Abdominal CT reaching into the chest; this slice is in the chest · axial view
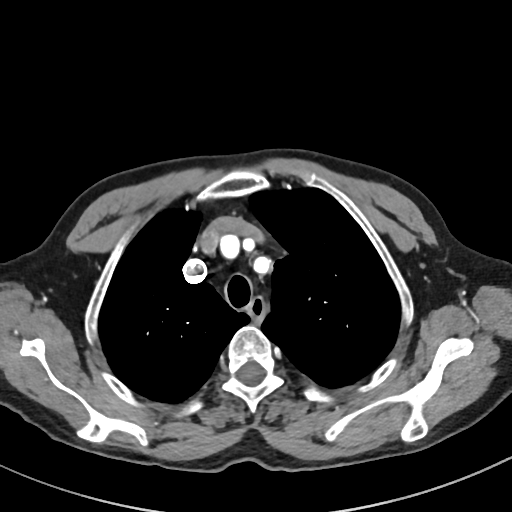
At this level of the chest no structure but the esophagus and the aorta has a label in this dataset, and those two are boxed only where they are labeled.
Box edges are left/top/right/bottom in pixels.
Organ bounding boxes:
- esophagus: left=248, top=296, right=266, bottom=323